Abdominal CT; axial view; soft-tissue window; 512x512 px; SOMATOM Force scanner
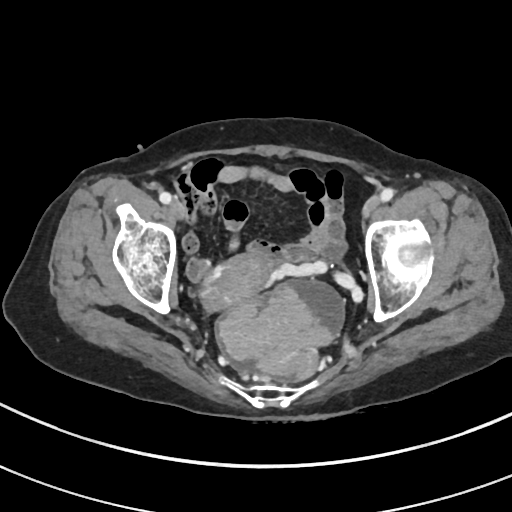 Each box given as x1,y1,x2,y2.
prostate/uterus: x1=198, y1=254, x2=272, y2=313